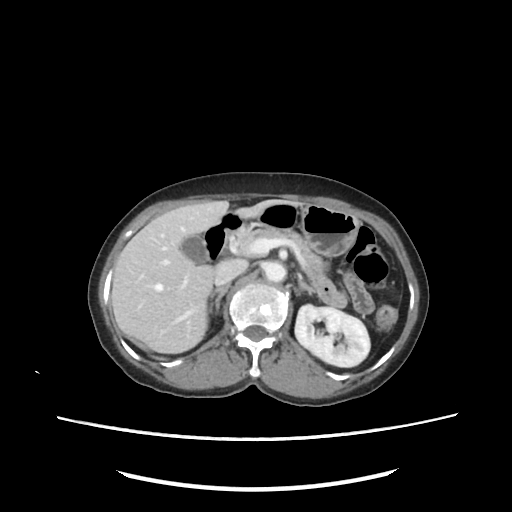

CT abdomen; axial view; soft-tissue window; Aquilion ONE scanner; scan has 15 labeled organs (counted over the whole 3D scan, not this slice; an organ is boxed only where this slice passes through it)
Boxes: x1:y1:x2:y2 in pixels.
left kidney: 295:303:371:366
gall bladder: 180:236:231:264
liver: 111:200:302:352
stomach: 257:202:358:255
aorta: 264:261:286:281
inferior vena cava: 212:259:247:285
pancreas: 237:227:327:272
right adrenal gland: 209:286:229:312
left adrenal gland: 297:273:315:295
duodenum: 202:211:241:260